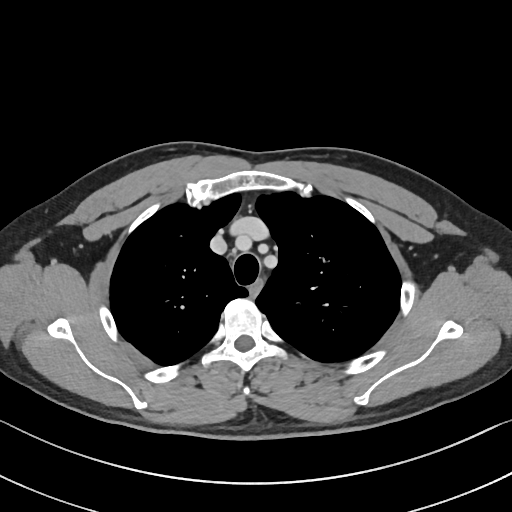

Abdominal CT reaching into the chest; this slice is in the chest. axial view. soft-tissue window, W/L 400/40. 512x512 px
On a slice this high in the chest, this dataset labels only the esophagus and the aorta, and each is boxed only where it is labeled; the heart, lungs and other chest structures are not labeled. Bounding boxes as [x1, y1, x2, y2] in pixel coordinates. The annotated organs in this slice are: esophagus at [250, 278, 262, 296].